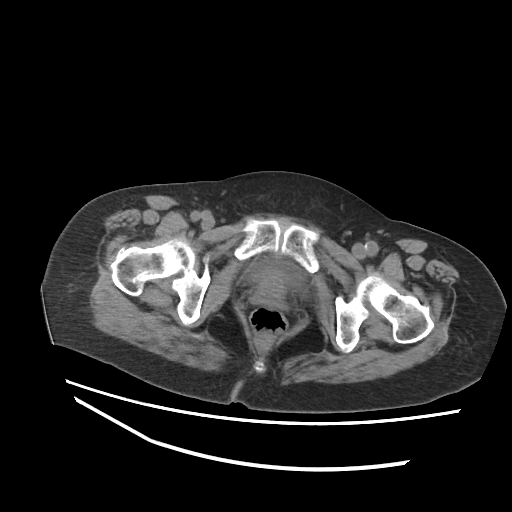 Abdominal CT; Axial slice 10/84; 512x512 px; 57-year-old female patient; 15 organs annotated in this scan (counted over the whole 3D scan, not this slice; an organ is boxed only where this slice passes through it)
Bounding boxes as [x1, y1, x2, y2] in pixel coordinates.
Organ bounding boxes:
- bladder: [255, 266, 303, 289]